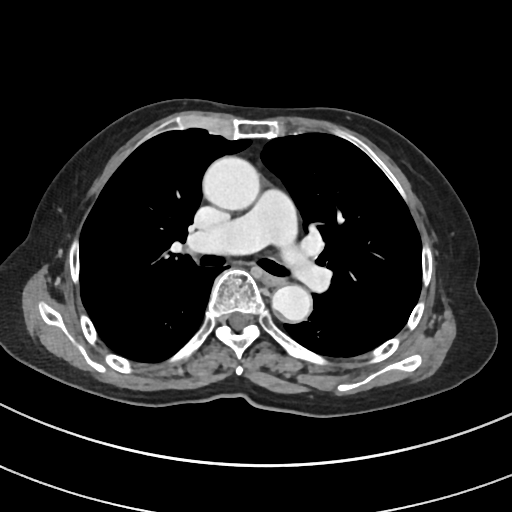

Chest-level slice from an abdominal CT that extends up into the chest — Axial slice 231/284
At this level of the chest this dataset labels only the esophagus and the aorta, and each is boxed only where it is labeled; the heart and lungs are never labeled.
Bounding boxes as [x1, y1, x2, y2] in pixel coordinates.
Organ bounding boxes:
- esophagus: [264, 273, 284, 285]
- aorta: [202, 156, 259, 210]
- aorta: [272, 285, 311, 322]